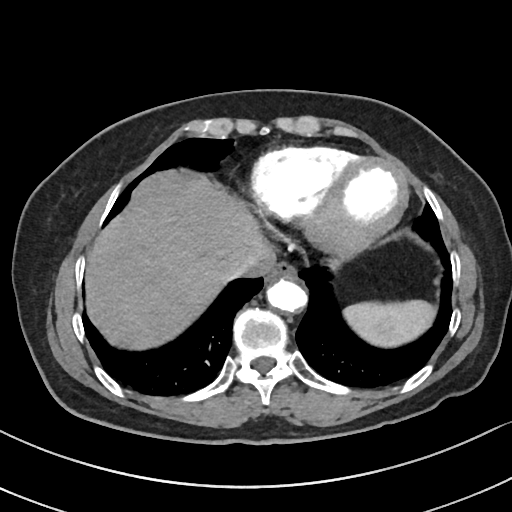

CT, abdomen/pelvis. Axial slice 196/294
Bounding boxes as [x1, y1, x2, y2] in pixel coordinates.
Organ bounding boxes:
- spleen: [343, 300, 435, 347]
- liver: [86, 171, 265, 349]
- aorta: [267, 278, 307, 312]
- esophagus: [265, 261, 295, 282]
- inferior vena cava: [220, 243, 275, 280]